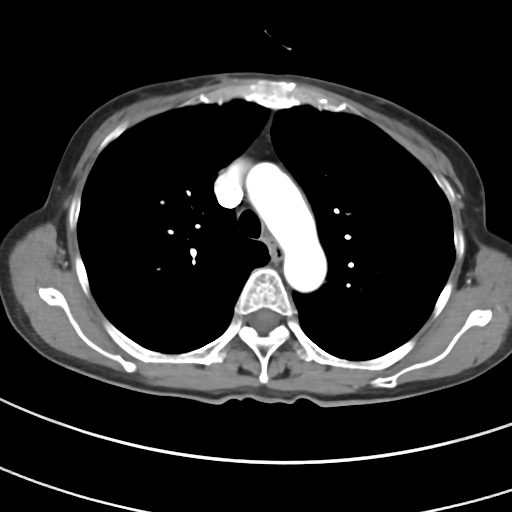

Abdominal CT reaching into the chest; this slice is in the chest. Axial slice 103/118. SOMATOM Force scanner. 15 organs annotated in this scan (that count is for the whole scan; organs this slice misses have no box)
At this level of the chest no structure but the esophagus and the aorta has a label in this dataset, and those two are boxed only where they are labeled.
{"organs":{"aorta":[246,162,326,292],"esophagus":[265,238,281,258]}}